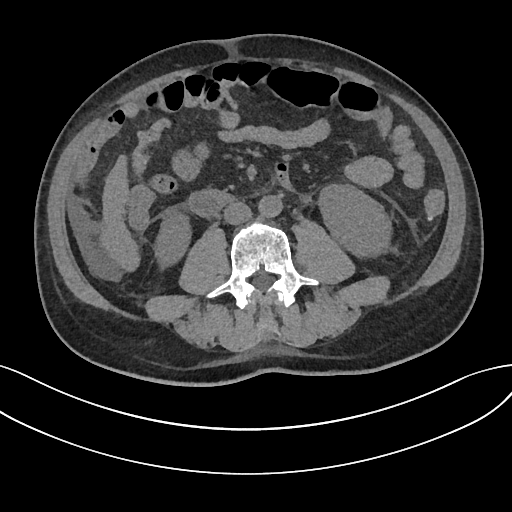
Abdominal CT — axial view
Organ boxes in pixel coordinates; each row gives the top-left (x1, y1) and bottom-right (x2, y2) corners.
| organ | x1 | y1 | x2 | y2 |
|---|---|---|---|---|
| right kidney | 154 | 210 | 191 | 268 |
| left kidney | 318 | 184 | 390 | 256 |
| liver | 99 | 155 | 139 | 271 |
| aorta | 258 | 195 | 282 | 217 |
| inferior vena cava | 224 | 201 | 252 | 224 |
| duodenum | 188 | 190 | 233 | 216 |